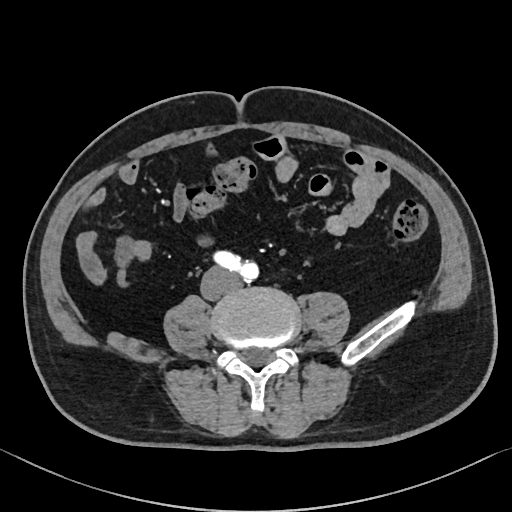 CT abdomen · Axial slice 94/245 · 512x512 px · 15 organs annotated in this scan (that count is for the whole scan; organs this slice misses have no box)
Organ boxes in pixel coordinates; each row gives the top-left (x1, y1) and bottom-right (x2, y2) corners.
| organ | x1 | y1 | x2 | y2 |
|---|---|---|---|---|
| inferior vena cava | 201 | 268 | 228 | 297 |